CT, abdomen/pelvis. Axial slice 80/140
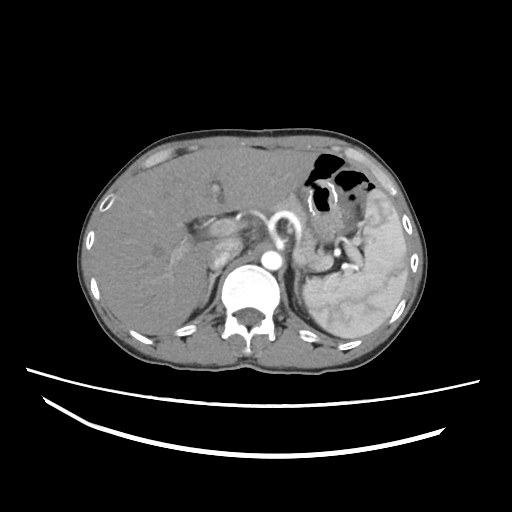 One row per box, in pixels: columns x1 and y1 give the top-left corner, x2 and y2 the bottom-right.
| organ | x1 | y1 | x2 | y2 |
|---|---|---|---|---|
| spleen | 303 | 189 | 407 | 338 |
| liver | 92 | 146 | 318 | 335 |
| stomach | 300 | 183 | 352 | 241 |
| aorta | 261 | 251 | 282 | 270 |
| inferior vena cava | 208 | 237 | 242 | 269 |
| pancreas | 264 | 194 | 325 | 261 |
| right adrenal gland | 199 | 270 | 220 | 308 |
| left adrenal gland | 292 | 261 | 300 | 300 |